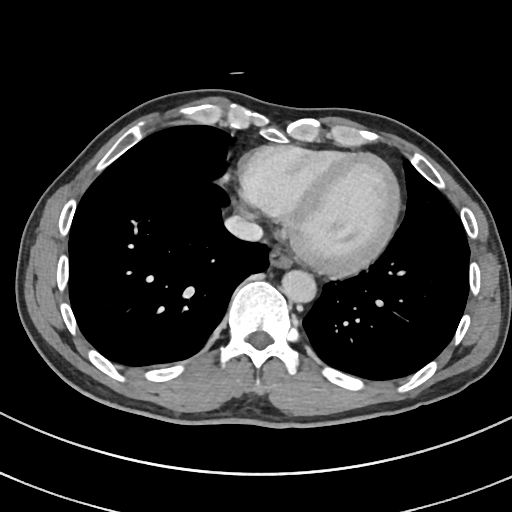 Abdominal CT; this slice is in the lower chest, just above the liver · axial view · soft-tissue window, W/L 400/40 · scan has 15 labeled organs (a whole-scan count: organs this slice does not pass through have no box)
No part of the heart or lungs is labeled in this dataset, so neither has a box here.
Boxes are (x1, y1, x2, y2) in pixels.
Organ bounding boxes:
- esophagus: (268, 247, 292, 268)
- aorta: (282, 270, 316, 302)
- inferior vena cava: (224, 215, 262, 241)